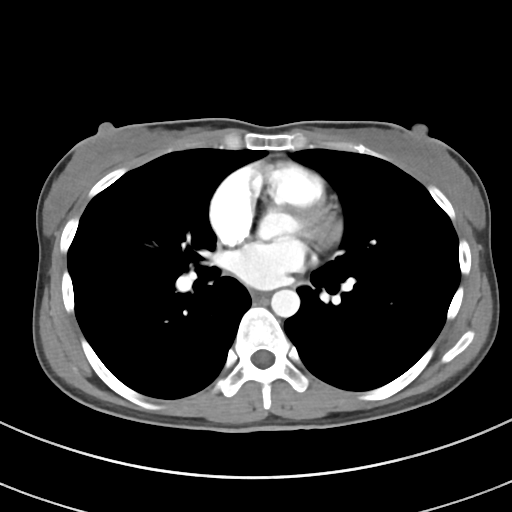
Chest-level slice from an abdominal CT that extends up into the chest · axial plane, index 89 · soft-tissue window, W/L 400/40 · 512x512 px · acquired on SOMATOM Force
At this level of the chest no structure but the esophagus and the aorta has a label in this dataset, and those two are boxed only where they are labeled. Each box given as x1,y1,x2,y2. 2 labeled organs on this slice — esophagus at x1=251, y1=292, x2=264, y2=299; aorta at x1=271, y1=289, x2=299, y2=317.